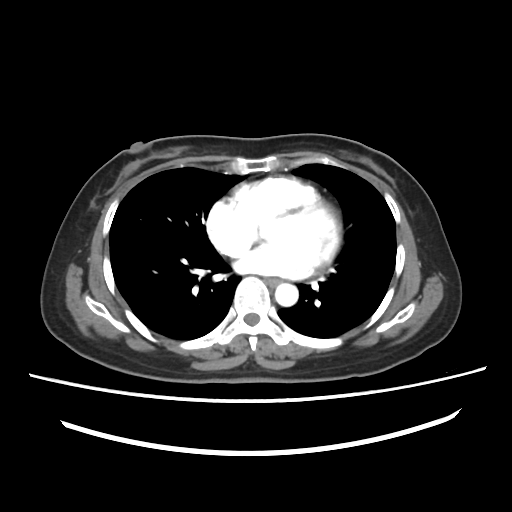 Lower-chest slice from an abdominal CT, just above the liver and spleen — axial view — soft-tissue window
The heart and lungs are never labeled in this dataset, so they have no box on this slice.
{"organs":{"esophagus":[265,277,281,286],"aorta":[275,283,298,306]}}